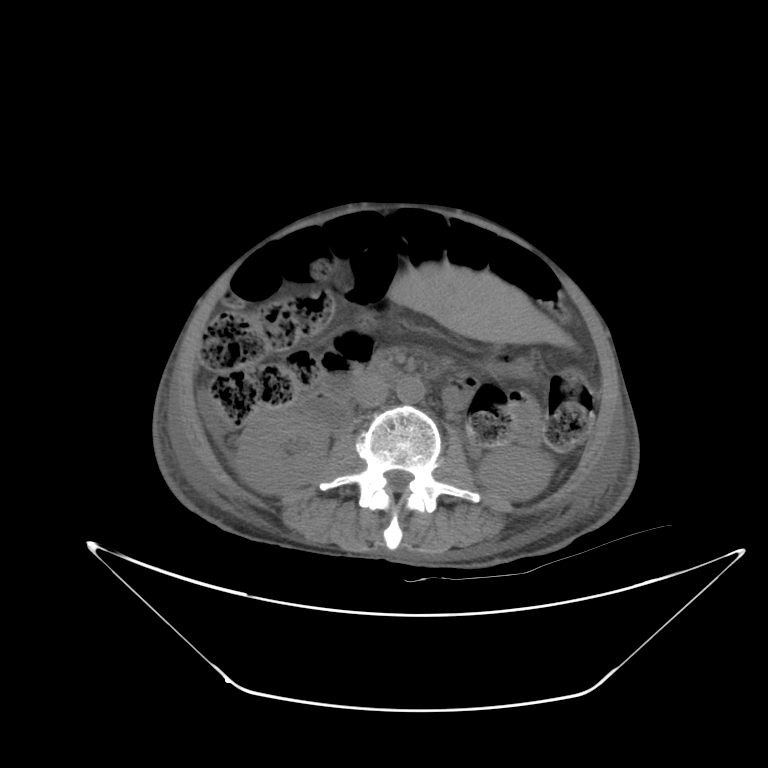 CT, abdomen/pelvis. axial view. 768x768 px. acquired on Brilliance16
<organs><organ name="right kidney" x1="235" y1="407" x2="328" y2="494"/><organ name="left kidney" x1="479" y1="446" x2="552" y2="498"/><organ name="liver" x1="389" y1="264" x2="571" y2="346"/><organ name="stomach" x1="491" y1="358" x2="533" y2="373"/><organ name="aorta" x1="396" y1="376" x2="425" y2="403"/><organ name="inferior vena cava" x1="355" y1="374" x2="388" y2="407"/><organ name="duodenum" x1="307" y1="359" x2="385" y2="429"/></organs>